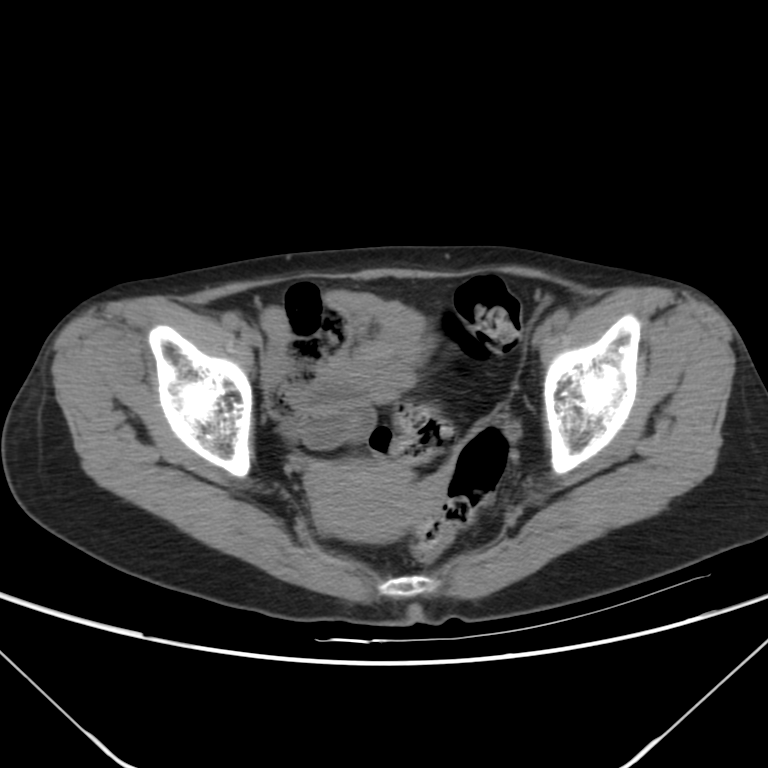 Abdominal CT — axial view — 768x768 px — 63-year-old female patient — Brilliance16 scanner — 15 organs annotated in this scan (a whole-scan count: organs this slice does not pass through have no box)
Box edges are left/top/right/bottom in pixels.
prostate/uterus: left=305, top=462, right=437, bottom=540